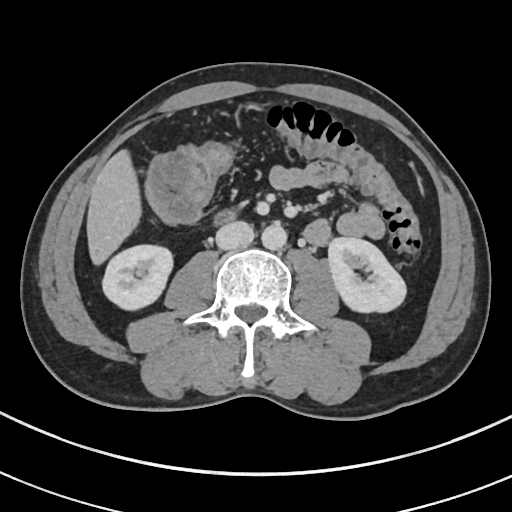
Abdominal CT · axial view · abdomen soft-tissue window
Bounding boxes as [x1, y1, x2, y2] in pixel coordinates.
Organ bounding boxes:
- right kidney: [102, 245, 172, 309]
- left kidney: [328, 237, 406, 312]
- liver: [86, 149, 141, 265]
- aorta: [261, 222, 286, 250]
- inferior vena cava: [215, 221, 254, 249]
- duodenum: [214, 210, 234, 223]